Abdominal CT; axial view; soft-tissue window (W 400 / L 40); SOMATOM Force scanner
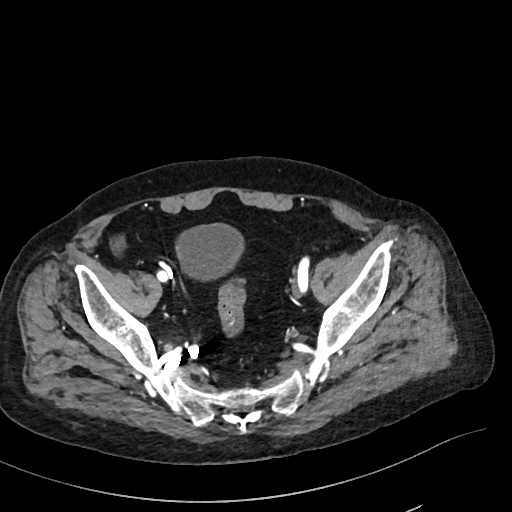
Bounding boxes in pixels, one row per box: x1, y1 is the top-left corner and x2, y2 the bottom-right.
| organ | x1 | y1 | x2 | y2 |
|---|---|---|---|---|
| bladder | 176 | 224 | 242 | 279 |